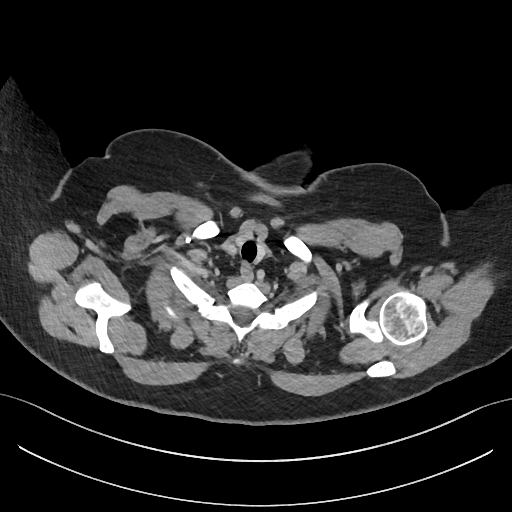 Abdominal CT reaching into the chest; this slice is in the chest — axial plane, index 293 — W/L 400/40 HU
At this level of the chest no structure but the esophagus and the aorta has a label in this dataset, and those two are boxed only where they are labeled.
Boxes: x1:y1:x2:y2 in pixels.
esophagus: 240:263:252:281